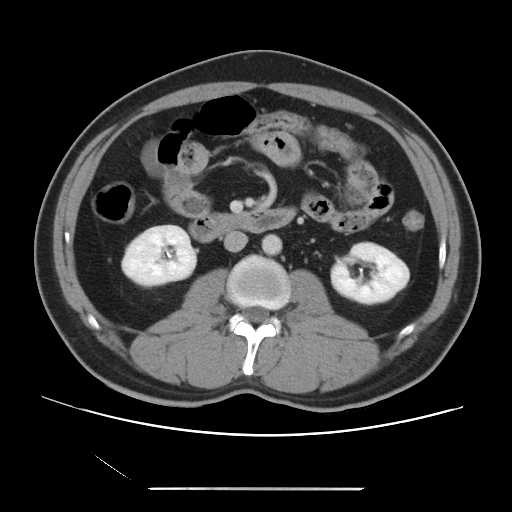
CT, abdomen/pelvis. Axial slice 61/131. soft-tissue window
{"organs":{"duodenum":[189,207,295,241],"aorta":[261,234,281,254],"right kidney":[122,225,196,286],"left kidney":[331,242,409,303],"inferior vena cava":[224,230,247,252]}}